Abdominal MRI. axial view. percentile-normalized. scan has 13 labeled organs (a whole-scan count: organs this slice does not pass through have no box)
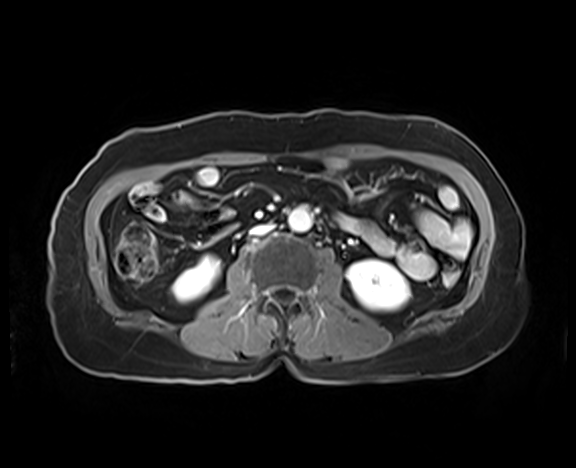 Box edges are left/top/right/bottom in pixels.
right kidney: left=172, top=255, right=221, bottom=302
left kidney: left=347, top=259, right=410, bottom=310
aorta: left=288, top=208, right=311, bottom=232
inferior vena cava: left=251, top=225, right=271, bottom=234